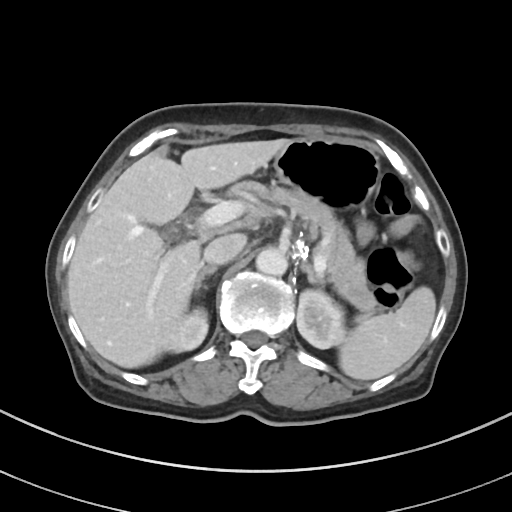

CT abdomen — Axial slice 65/84 — soft-tissue window (W 400 / L 40) — 512x512 px
Each box given as x1,y1,x2,y2. The annotated organs in this slice are: aorta at x1=256, y1=247, x2=287, y2=275, left kidney at x1=297, y1=290, x2=345, y2=348, pancreas at x1=236, y1=182, x2=378, y2=319, stomach at x1=274, y1=138, x2=380, y2=209, inferior vena cava at x1=203, y1=233, x2=245, y2=264, spleen at x1=339, y1=286, x2=435, y2=380, right adrenal gland at x1=195, y1=265, x2=217, y2=290, left adrenal gland at x1=302, y1=263, x2=322, y2=284, right kidney at x1=165, y1=308, x2=208, y2=352, liver at x1=67, y1=139, x2=289, y2=368.